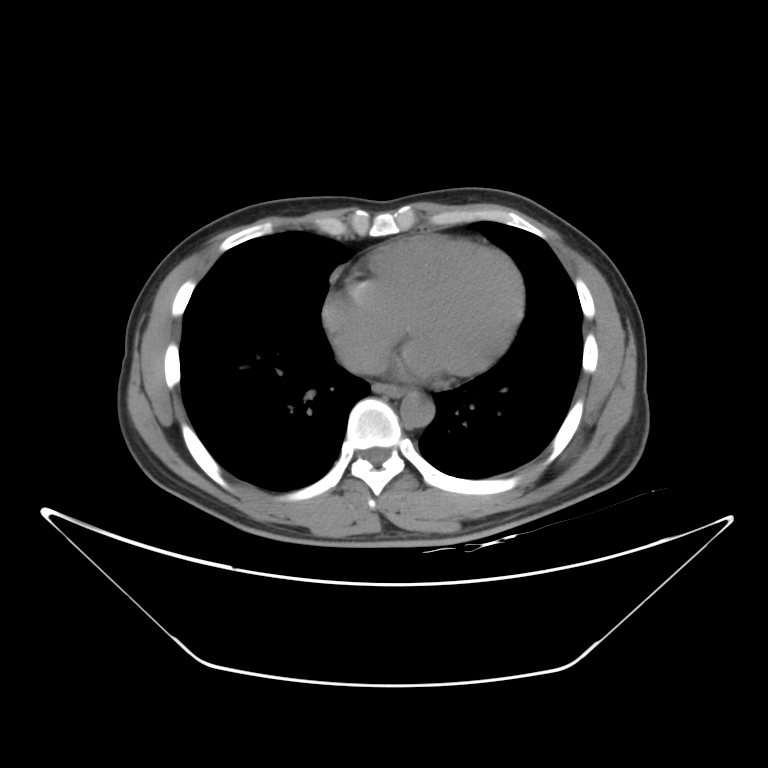 Lower-chest slice from an abdominal CT, just above the liver and spleen — axial view — 768x768 px
No part of the heart or lungs is labeled in this dataset, so neither has a box here.
Boxes are (x1, y1, x2, y2) in pixels.
Organ bounding boxes:
- inferior vena cava: (342, 350, 387, 373)
- aorta: (400, 392, 434, 428)
- esophagus: (373, 383, 404, 397)